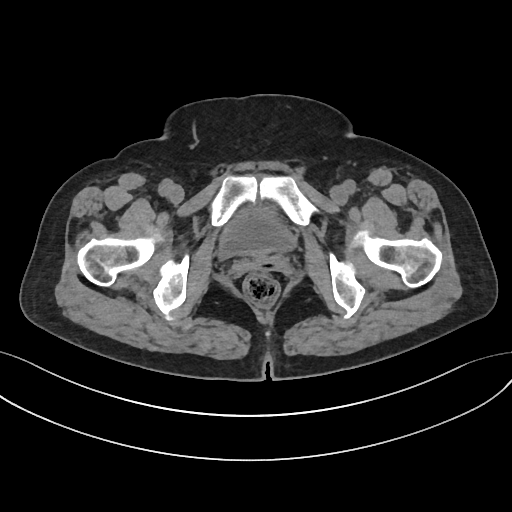
Abdominal CT; axial plane, index 14; soft-tissue window (W 400 / L 40)
Organ boxes in pixel coordinates; each row gives the top-left (x1, y1) and bottom-right (x2, y2) corners.
| organ | x1 | y1 | x2 | y2 |
|---|---|---|---|---|
| bladder | 219 | 207 | 294 | 257 |